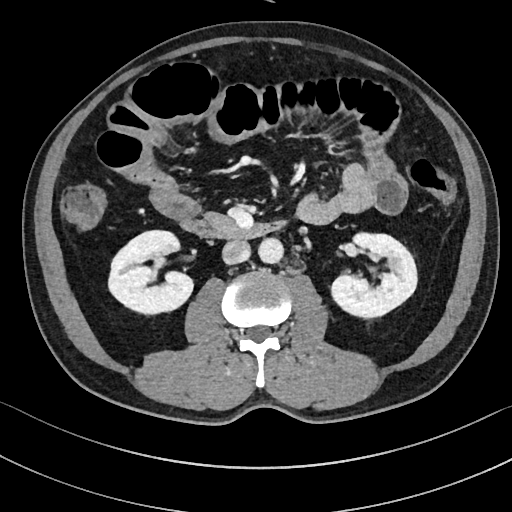 CT abdomen. axial view
Bounding boxes as [x1, y1, x2, y2] in pixel coordinates.
Organ bounding boxes:
- right kidney: [107, 230, 193, 315]
- left kidney: [330, 232, 416, 318]
- aorta: [258, 238, 283, 264]
- inferior vena cava: [221, 240, 249, 264]
- pancreas: [204, 212, 228, 223]
- duodenum: [180, 218, 287, 239]